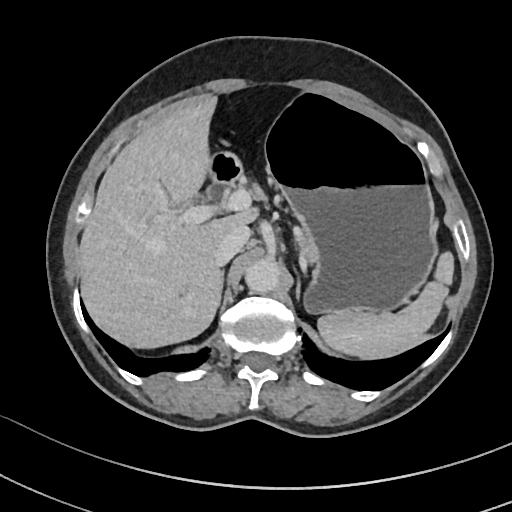
Abdominal CT. axial view. soft-tissue window (W 400 / L 40). 512x512 px
Organ boxes in pixel coordinates; each row gives the top-left (x1, y1) and bottom-right (x2, y2) corners.
| organ | x1 | y1 | x2 | y2 |
|---|---|---|---|---|
| spleen | 318 | 252 | 454 | 358 |
| liver | 79 | 98 | 256 | 348 |
| stomach | 265 | 95 | 437 | 313 |
| aorta | 245 | 257 | 280 | 293 |
| inferior vena cava | 215 | 225 | 250 | 265 |
| pancreas | 296 | 234 | 314 | 262 |
| left adrenal gland | 295 | 282 | 301 | 297 |
| duodenum | 209 | 152 | 241 | 185 |